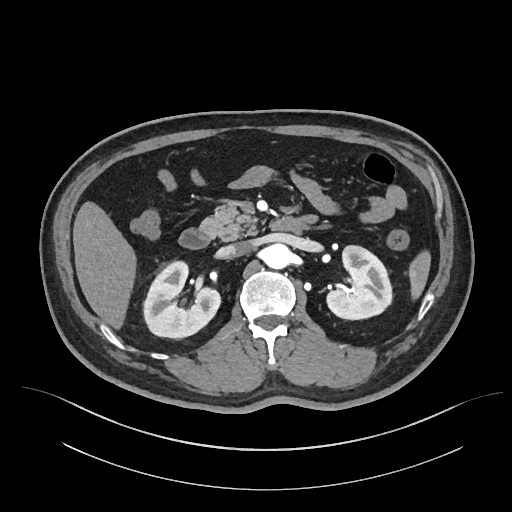

CT abdomen. axial view
{"organs":{"aorta":[263,243,291,269],"inferior vena cava":[218,241,250,258],"left kidney":[326,246,392,320],"right kidney":[144,262,220,338],"duodenum":[179,215,318,249],"spleen":[411,253,431,299],"pancreas":[199,200,261,240],"liver":[73,201,137,330]}}